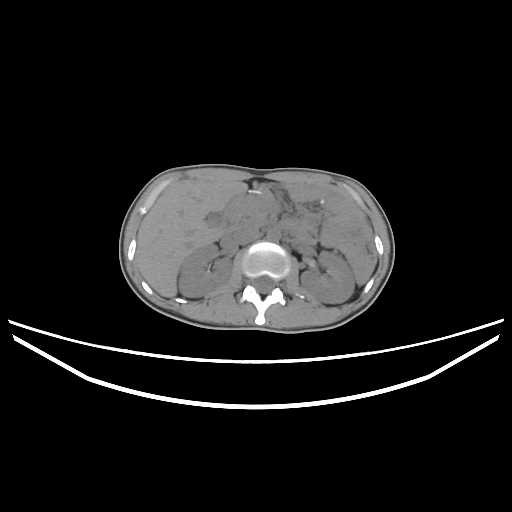
CT, abdomen/pelvis — Axial slice 63/85
Bounding boxes as [x1, y1, x2, y2] in pixel coordinates.
Organ bounding boxes:
- gall bladder: [206, 212, 224, 227]
- inferior vena cava: [232, 223, 259, 244]
- left kidney: [300, 251, 354, 303]
- pancreas: [231, 196, 271, 223]
- right kidney: [178, 244, 232, 297]
- duodenum: [224, 209, 234, 230]
- aorta: [267, 228, 280, 241]
- liver: [135, 181, 247, 297]